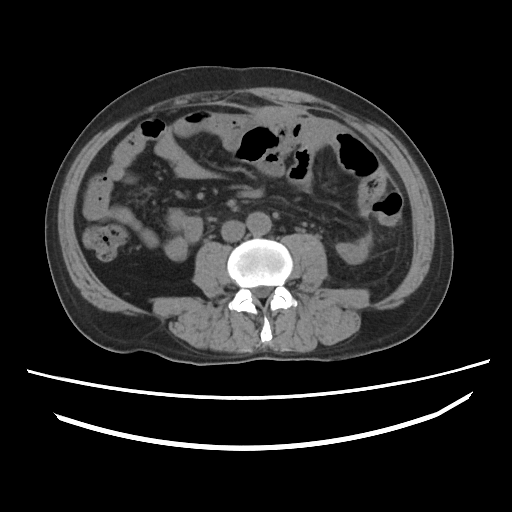

CT, abdomen/pelvis · axial plane, index 57
Coordinates as <box>x1,y1,x2,y2</box> in pixels. Labeled organs on this slice: aorta at <box>246,212,271,235</box>, inferior vena cava at <box>221,220,244,241</box>.